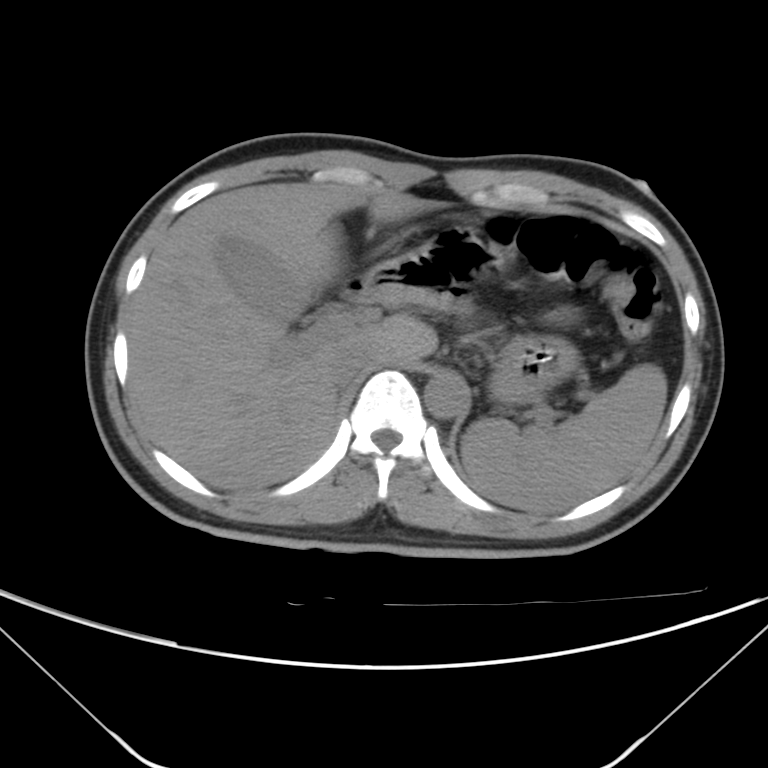
Abdominal CT; axial plane, index 78; Brilliance16 scanner
Organ boxes in pixel coordinates; each row gives the top-left (x1, y1) and bottom-right (x2, y2) corners.
| organ | x1 | y1 | x2 | y2 |
|---|---|---|---|---|
| spleen | 460 | 364 | 666 | 513 |
| gall bladder | 218 | 239 | 305 | 324 |
| liver | 127 | 182 | 435 | 490 |
| stomach | 364 | 225 | 580 | 406 |
| aorta | 423 | 373 | 466 | 417 |
| inferior vena cava | 329 | 343 | 378 | 386 |
| duodenum | 343 | 275 | 375 | 303 |